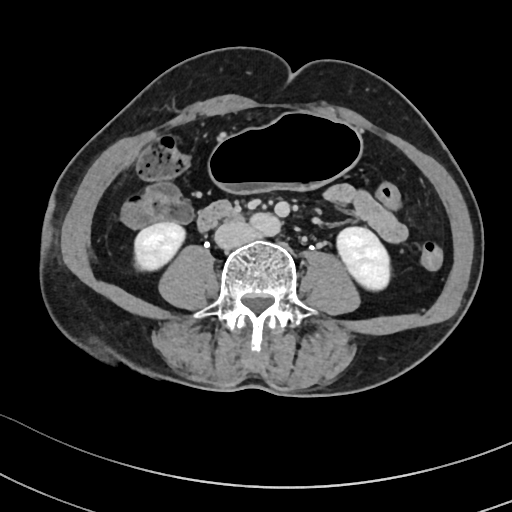 Computed tomography, abdomen — axial view — 15 organs annotated in this scan (a whole-scan count: organs this slice does not pass through have no box)
Box edges are left/top/right/bottom in pixels.
Organ bounding boxes:
- right kidney: left=132, top=221, right=186, bottom=270
- left kidney: left=334, top=226, right=390, bottom=289
- stomach: left=208, top=112, right=362, bottom=192
- aorta: left=252, top=213, right=282, bottom=236
- inferior vena cava: left=214, top=220, right=254, bottom=248
- duodenum: left=196, top=202, right=237, bottom=233